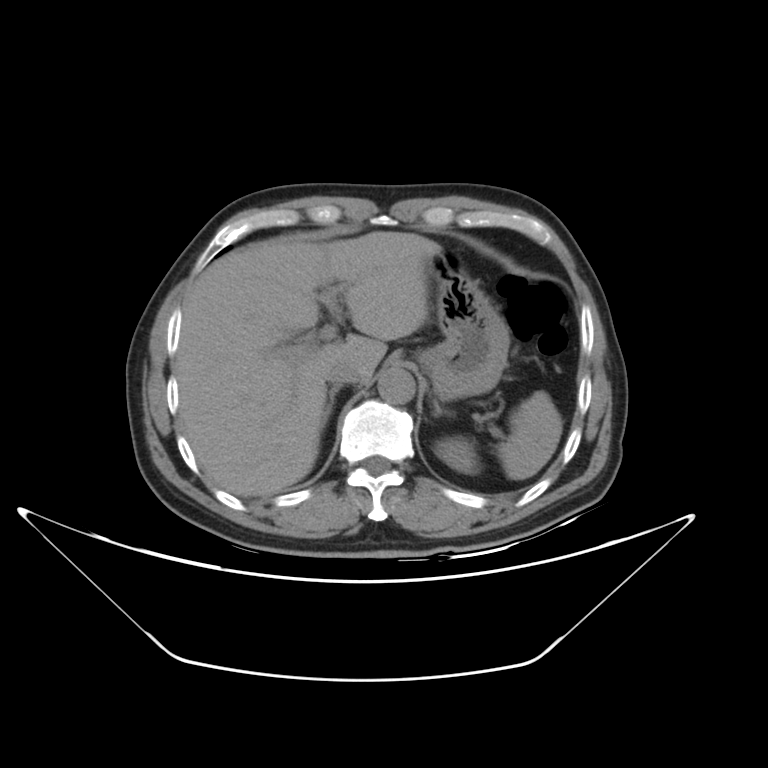
CT, abdomen/pelvis. axial view. soft-tissue window (W 400 / L 40). 768x768 px
Bounding boxes as [x1, y1, x2, y2] in pixel coordinates.
spleen: [491, 391, 563, 480]
left kidney: [433, 437, 478, 473]
liver: [175, 230, 442, 497]
stomach: [416, 253, 510, 400]
aorta: [378, 368, 415, 405]
inferior vena cava: [323, 362, 359, 383]
right adrenal gland: [323, 386, 337, 419]
left adrenal gland: [429, 395, 455, 422]